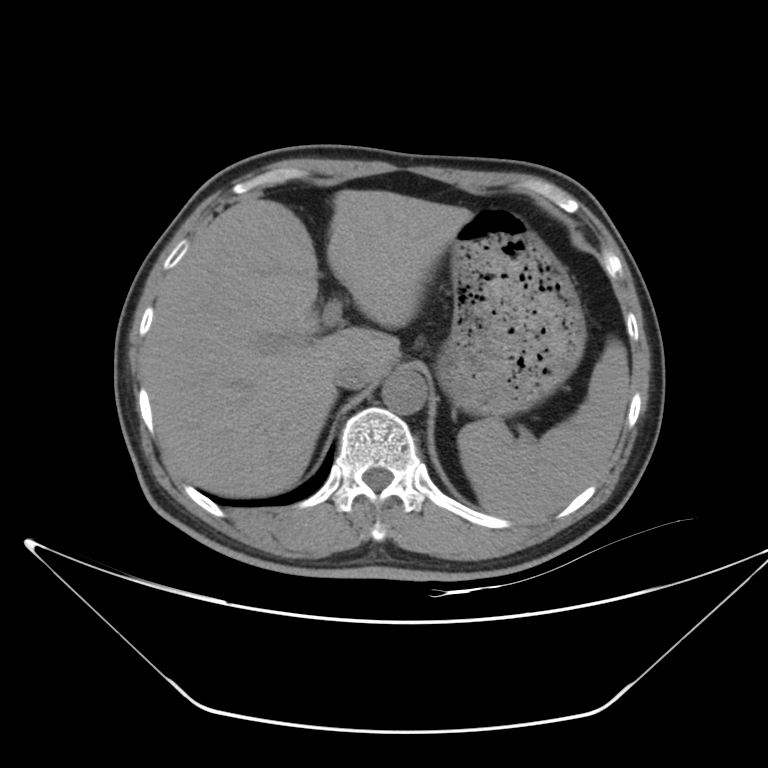

Abdominal CT. Axial slice 76/93. W/L 400/40 HU
Boxes: x1 y1 x2 y2 (pixel coords, space-separated).
Organ bounding boxes:
- spleen: 458 339 630 519
- liver: 142 190 472 496
- stomach: 436 211 586 418
- aorta: 383 370 426 414
- inferior vena cava: 333 361 369 389